Abdominal CT; axial view; 31-year-old male patient
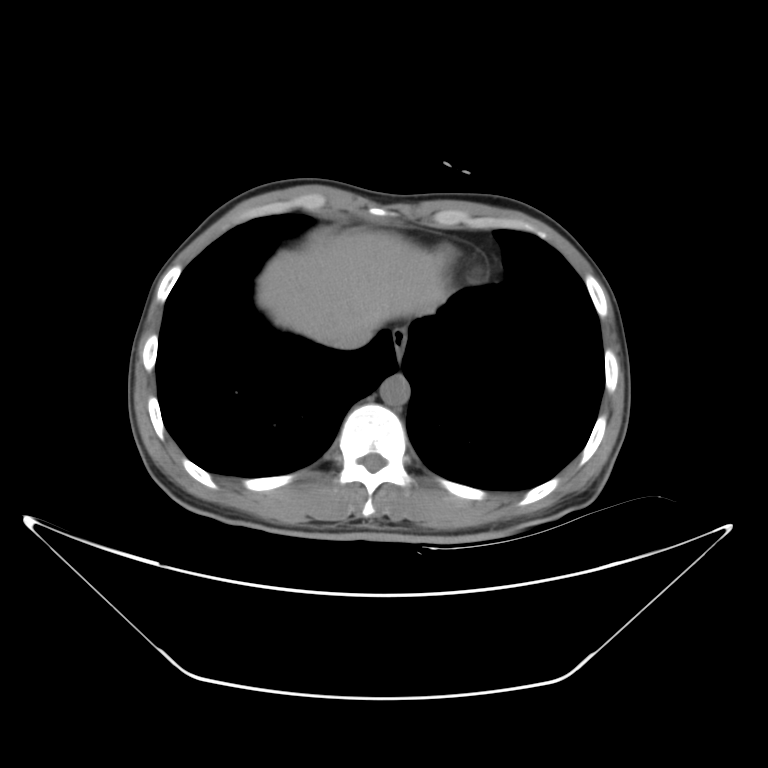
{"organs":{"esophagus":[392,328,409,357],"liver":[257,228,449,347],"aorta":[379,374,409,406],"inferior vena cava":[329,328,372,350]}}